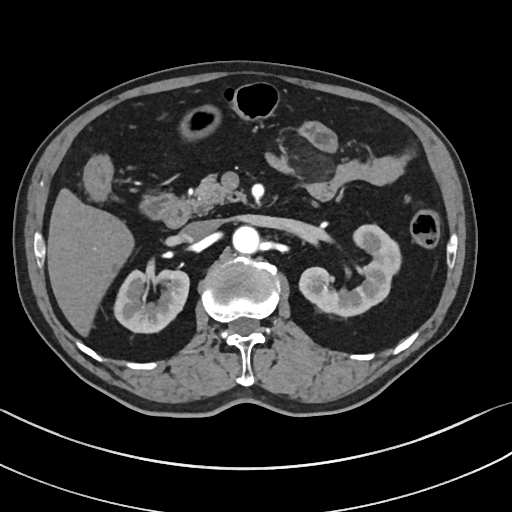
Abdominal CT — axial view — 512x512 px
Boxes are (x1, y1, x2, y2) in pixels. Labeled organs on this slice: aorta at (232, 225, 259, 254), duodenum at (140, 193, 191, 228), stomach at (178, 105, 221, 140), inferior vena cava at (182, 220, 218, 241), right kidney at (114, 270, 189, 332), liver at (47, 188, 133, 336), left kidney at (299, 224, 401, 316), pancreas at (186, 175, 245, 214).